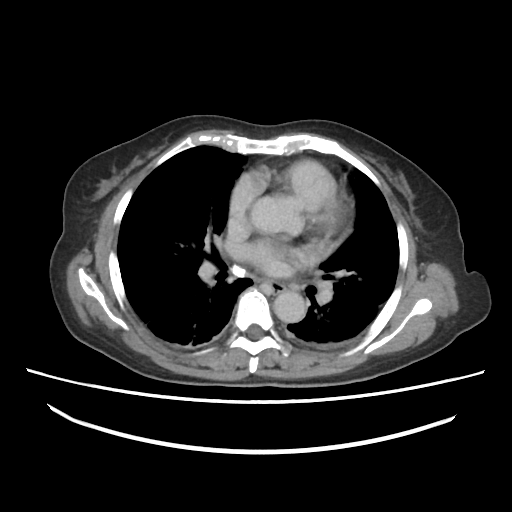
CT of the abdomen reaching into the lower chest, slice just above the liver and spleen · axial plane, index 97 · scan has 15 labeled organs (that count is for the whole scan; organs this slice misses have no box)
No part of the heart or lungs is labeled in this dataset, so neither has a box here.
Organ boxes in pixel coordinates; each row gives the top-left (x1, y1) and bottom-right (x2, y2) corners.
| organ | x1 | y1 | x2 | y2 |
|---|---|---|---|---|
| esophagus | 271 | 282 | 284 | 294 |
| aorta | 271 | 290 | 307 | 322 |